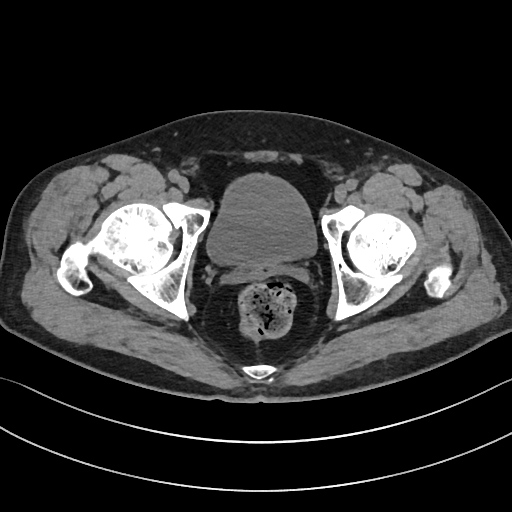

CT abdomen; axial view; soft-tissue window; acquired on SOMATOM Force
Boxes are (x1, y1, x2, y2) in pixels.
bladder: (208, 177, 315, 263)